Abdominal CT · axial view · W/L 400/40 HU · 768x768 px
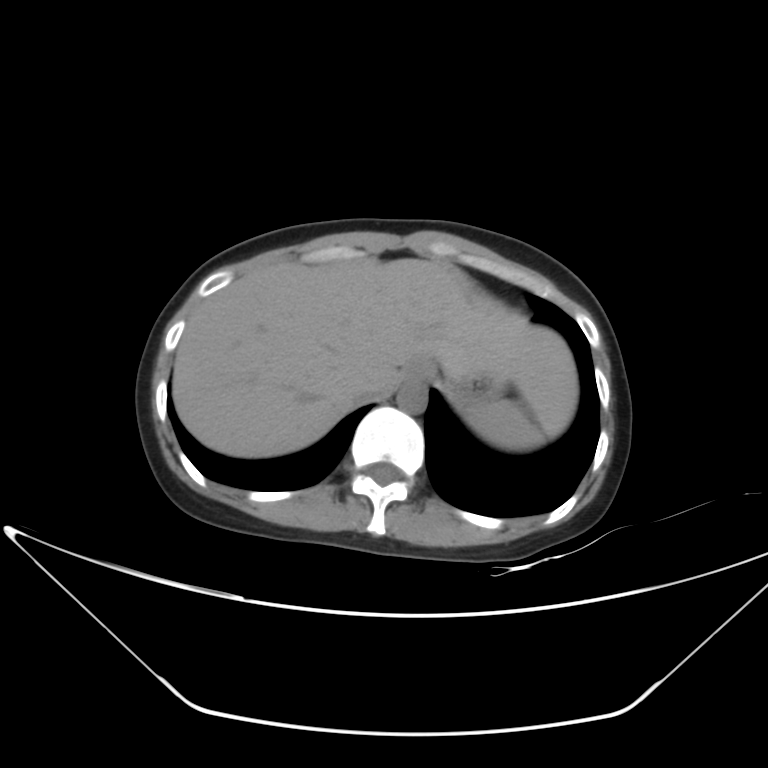 Box edges are left/top/right/bottom in pixels. The annotated organs in this slice are: inferior vena cava at left=350, top=389, right=381, bottom=401, liver at left=173, top=258, right=578, bottom=457, esophagus at left=403, top=357, right=434, bottom=382, spleen at left=464, top=400, right=547, bottom=451, aorta at left=397, top=382, right=427, bottom=413, stomach at left=450, top=377, right=500, bottom=408.